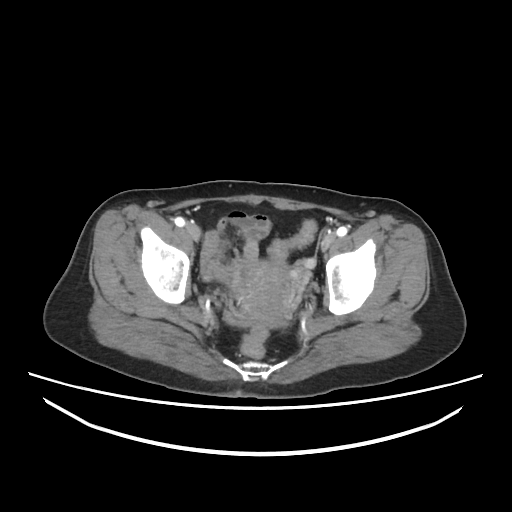 Computed tomography, abdomen. axial view. 512x512 px
Box edges are left/top/right/bottom in pixels. Labeled organs on this slice: prostate/uterus at left=240, top=263, right=292, bottom=322.